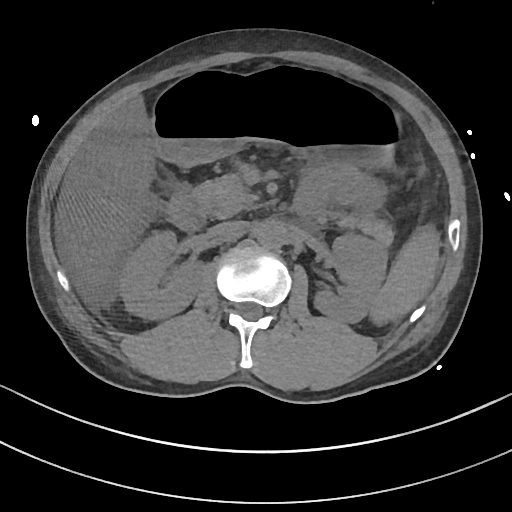
Abdominal CT; axial view; 512x512 px
Bounding boxes as [x1, y1, x2, y2] in pixel coordinates.
spleen: [369, 226, 440, 325]
right kidney: [119, 231, 203, 319]
duodenum: [166, 190, 207, 230]
aorta: [256, 219, 286, 248]
inferior vena cava: [208, 220, 244, 236]
liver: [58, 95, 157, 281]
left kidney: [314, 234, 387, 323]
pancreas: [192, 173, 394, 246]
stomach: [151, 69, 402, 168]